Chest-level slice from an abdominal CT that extends up into the chest · Axial slice 273/294
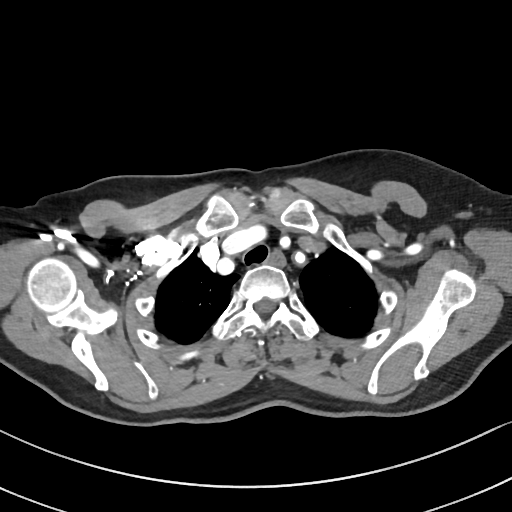

At this level of the chest no structure but the esophagus and the aorta has a label in this dataset, and those two are boxed only where they are labeled.
<organs><organ name="esophagus" x1="265" y1="251" x2="285" y2="269"/></organs>